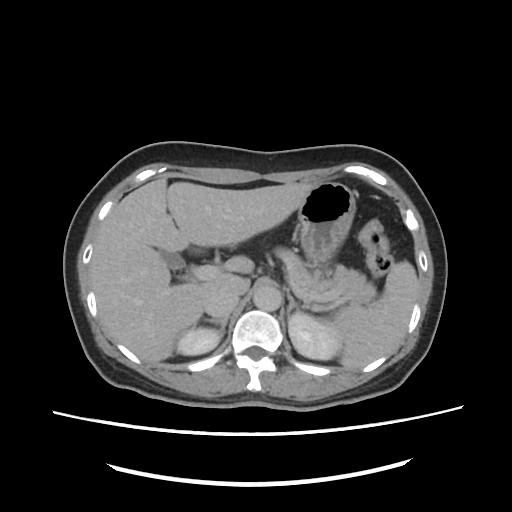

Computed tomography, abdomen; Axial slice 69/85; W/L 400/40 HU; 512x512 px
<organs><organ name="spleen" x1="333" y1="261" x2="416" y2="368"/><organ name="right kidney" x1="176" y1="326" x2="219" y2="356"/><organ name="left kidney" x1="287" y1="313" x2="336" y2="360"/><organ name="gall bladder" x1="161" y1="252" x2="183" y2="270"/><organ name="liver" x1="90" y1="179" x2="315" y2="362"/><organ name="stomach" x1="297" y1="181" x2="355" y2="266"/><organ name="aorta" x1="253" y1="285" x2="282" y2="310"/><organ name="inferior vena cava" x1="205" y1="288" x2="240" y2="318"/><organ name="pancreas" x1="276" y1="248" x2="374" y2="304"/><organ name="right adrenal gland" x1="202" y1="318" x2="227" y2="339"/><organ name="left adrenal gland" x1="286" y1="290" x2="305" y2="314"/><organ name="duodenum" x1="189" y1="245" x2="210" y2="256"/></organs>